Abdominal MR — coronal plane, index 54 — scan has 13 labeled organs (a whole-scan count: organs this slice does not pass through have no box)
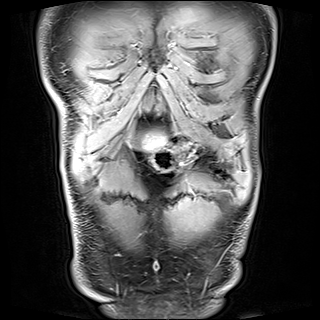
Boxes: x1 y1 x2 y2 (pixel coords, space-separated). The annotated organs in this slice are: stomach at 151 144 195 172, liver at 143 133 163 148.